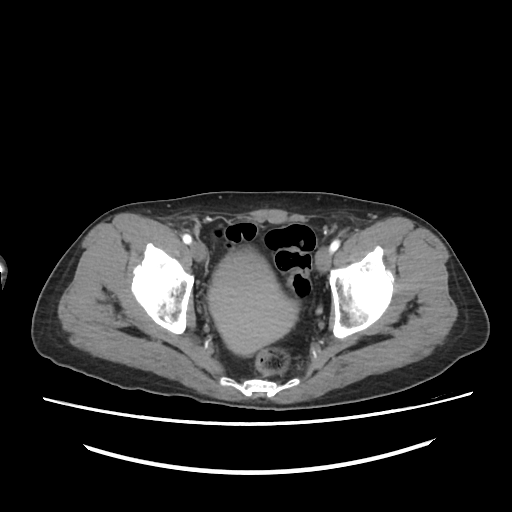 CT, abdomen/pelvis · axial view · W/L 400/40 HU · 61-year-old male patient
{"organs":{"bladder":[209,247,297,353]}}